CT, abdomen/pelvis — axial plane, index 16 — soft-tissue window
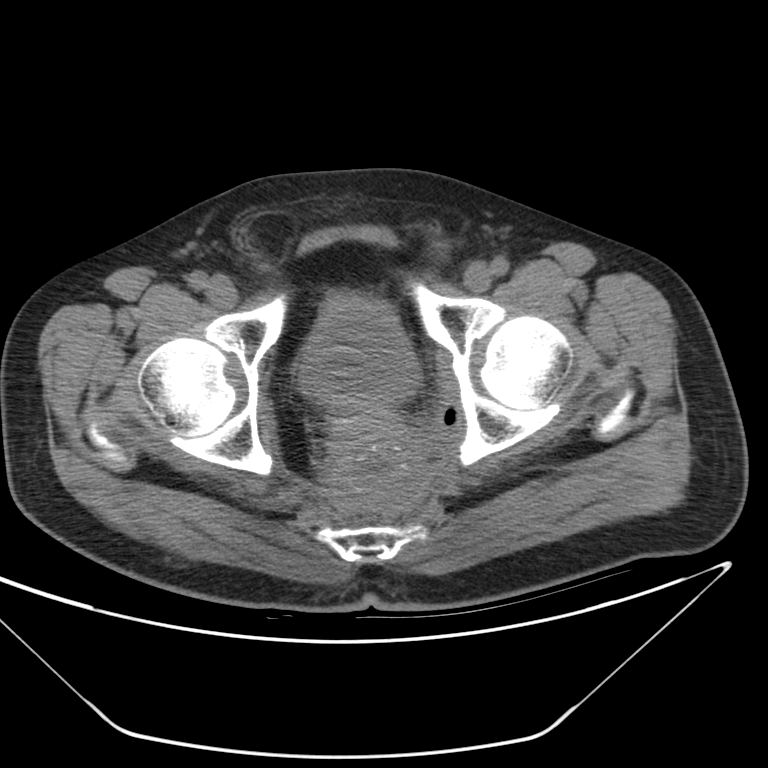

Box edges are left/top/right/bottom in pixels. 2 labeled organs on this slice — bladder at left=302, top=304, right=415, bottom=410; prostate/uterus at left=334, top=403, right=388, bottom=432.